Abdominal CT; this slice is in the lower chest, just above the liver. axial view. acquired on Aquilion ONE. 15 organs annotated in this scan (counted over the whole 3D scan, not this slice; an organ is boxed only where this slice passes through it)
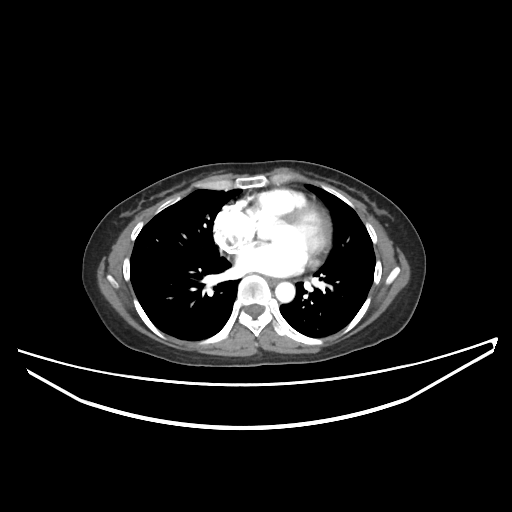
Of the structures in the chest, this dataset labels only the esophagus, the aorta and the inferior vena cava; the heart and lungs have no label.
<organs><organ name="esophagus" x1="268" y1="278" x2="278" y2="284"/><organ name="aorta" x1="275" y1="282" x2="295" y2="302"/></organs>